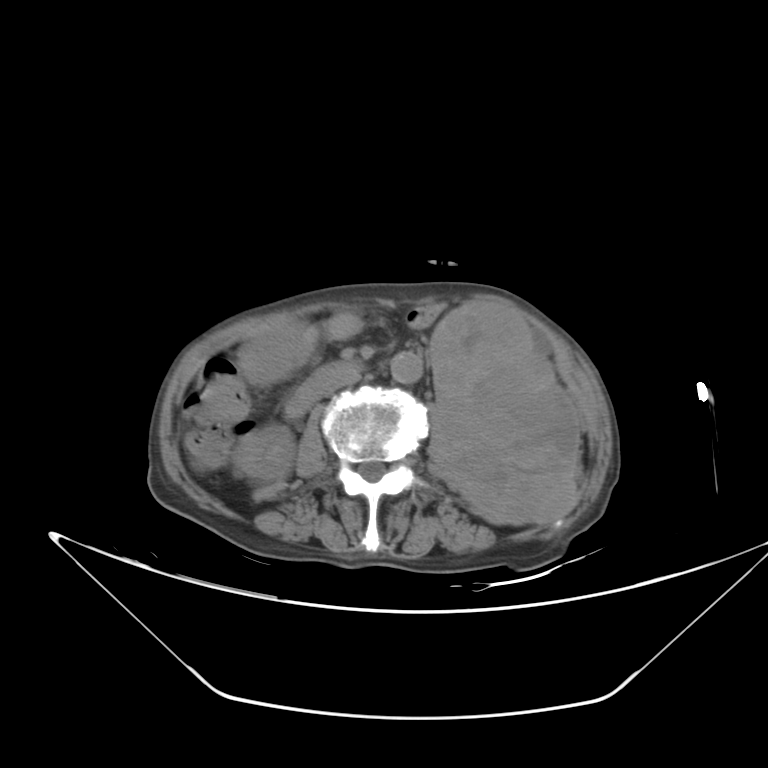
CT abdomen · Axial slice 50/80
{"organs":{"right kidney":[235,426,293,481],"left kidney":[429,298,579,525],"stomach":[243,317,311,380],"aorta":[389,352,425,383],"inferior vena cava":[322,374,361,402],"duodenum":[282,358,366,420]}}